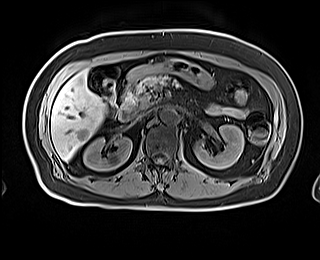
Abdominal MR; axial view; 1st–99th percentile window
Bounding boxes in pixels, one row per box: x1, y1 is the top-left corner and x2, y2 the bottom-right.
| organ | x1 | y1 | x2 | y2 |
|---|---|---|---|---|
| right kidney | 83 | 137 | 131 | 170 |
| left kidney | 194 | 125 | 244 | 168 |
| liver | 51 | 70 | 105 | 161 |
| stomach | 127 | 60 | 214 | 89 |
| aorta | 160 | 108 | 177 | 123 |
| inferior vena cava | 135 | 110 | 150 | 120 |
| pancreas | 128 | 74 | 181 | 110 |
| duodenum | 118 | 81 | 136 | 121 |